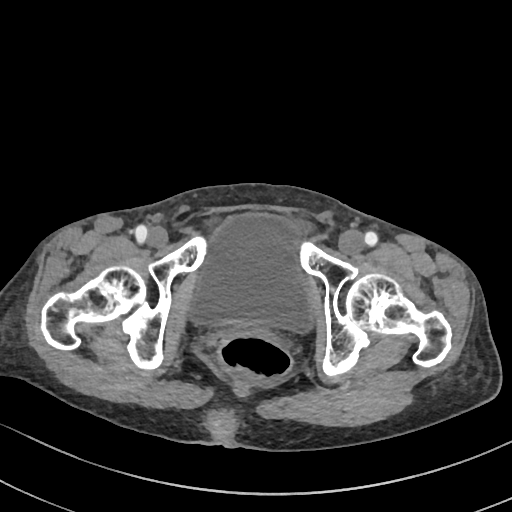
Abdominal CT; Axial slice 51/236; 512x512 px; SOMATOM Force scanner; 15 organs annotated in this scan (a whole-scan count: organs this slice does not pass through have no box)
Boxes are (x1, y1, x2, y2) in pixels.
bladder: (187, 213, 314, 333)